CT abdomen · axial view · 15 organs annotated in this scan (a whole-scan count: organs this slice does not pass through have no box)
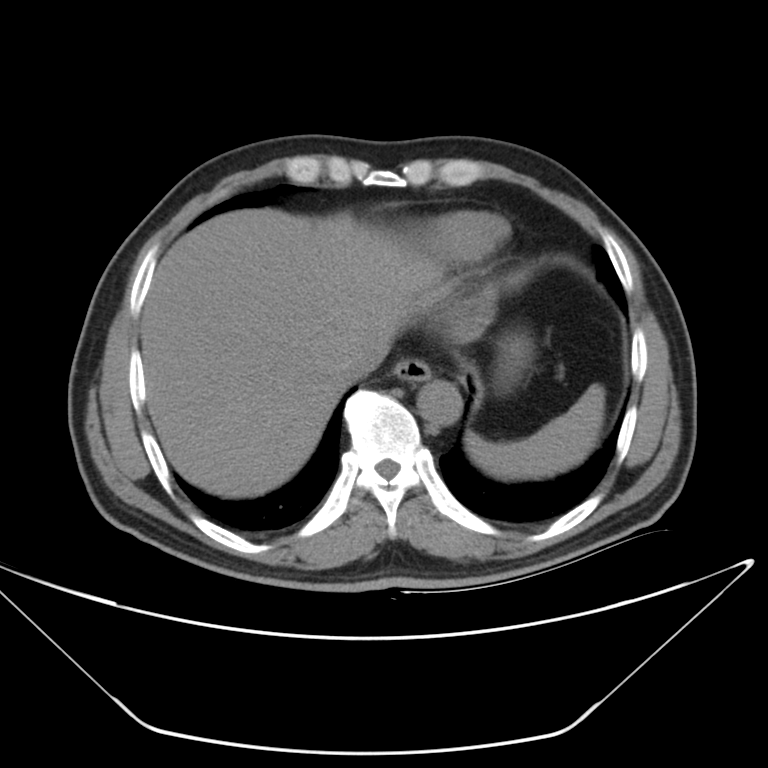 Boxes: x1:y1:x2:y2 in pixels.
stomach: 497:337:524:384
spleen: 466:385:604:475
liver: 138:209:450:498
inferior vena cava: 348:356:375:375
aorta: 420:379:462:423
esophagus: 392:356:430:387